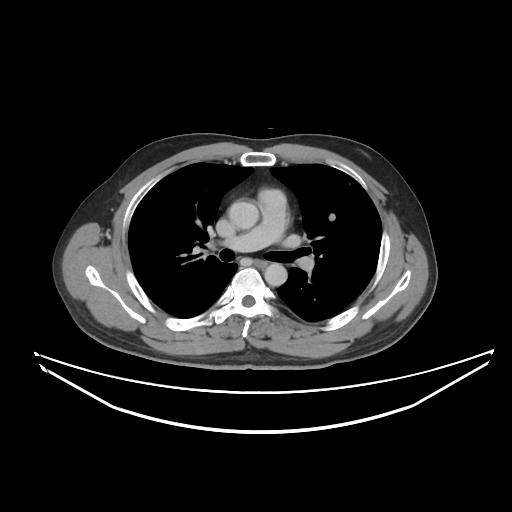
Chest-level slice from an abdominal CT that extends up into the chest; axial view; 512x512 px; acquired on Aquilion ONE; 15 organs annotated in this scan (that count is for the whole scan; organs this slice misses have no box)
On a slice this high in the chest, this dataset labels only the esophagus and the aorta, and each is boxed only where it is labeled; the heart, lungs and other chest structures are not labeled. Boxes: x1 y1 x2 y2 (pixel coords, space-separated). Labeled organs on this slice: esophagus at 255 260 266 266, aorta at 228 200 259 229, aorta at 264 263 287 286.